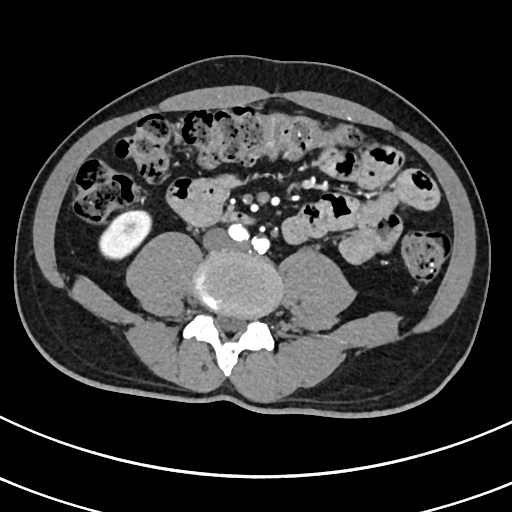 CT, abdomen/pelvis · axial plane, index 99 · soft-tissue window · 512x512 px · SOMATOM Force scanner · scan has 15 labeled organs (that count is for the whole scan; organs this slice misses have no box)
<organs><organ name="right kidney" x1="99" y1="210" x2="152" y2="258"/><organ name="aorta" x1="262" y1="235" x2="269" y2="240"/><organ name="duodenum" x1="223" y1="211" x2="249" y2="222"/></organs>